Abdominal CT — axial view — soft-tissue window (W 400 / L 40) — 32-year-old female patient
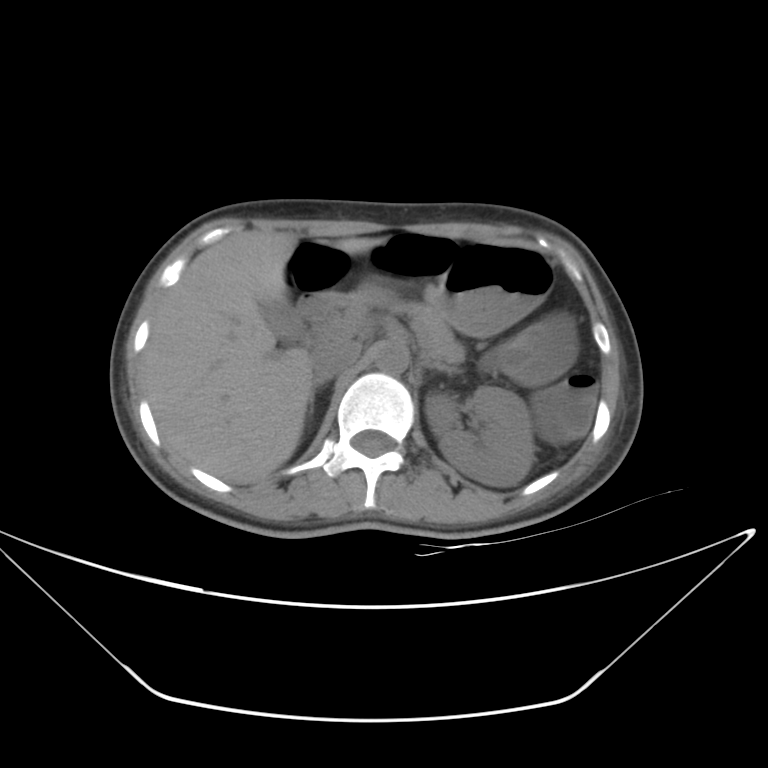 One row per box, in pixels: columns x1 and y1 give the top-left corner, x2 and y2 the bottom-right.
| organ | x1 | y1 | x2 | y2 |
|---|---|---|---|---|
| inferior vena cava | 311 | 340 | 361 | 380 |
| gall bladder | 260 | 301 | 307 | 342 |
| left kidney | 425 | 387 | 535 | 487 |
| stomach | 426 | 242 | 554 | 336 |
| pancreas | 342 | 286 | 463 | 361 |
| right adrenal gland | 310 | 381 | 326 | 414 |
| liver | 142 | 231 | 384 | 484 |
| aorta | 375 | 343 | 408 | 374 |
| left adrenal gland | 424 | 361 | 456 | 373 |
| duodenum | 299 | 293 | 346 | 323 |